Chest-level slice from an abdominal CT that extends up into the chest · axial plane, index 93 · soft-tissue window
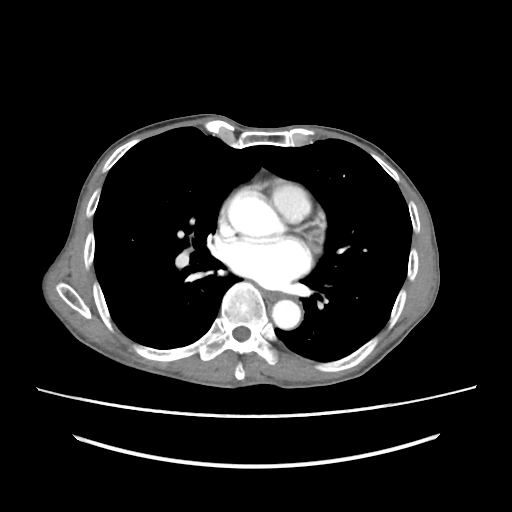
At this level of the chest this dataset labels only the esophagus and the aorta, and each is boxed only where it is labeled; the heart and lungs are never labeled.
<organs><organ name="esophagus" x1="264" y1="291" x2="283" y2="300"/><organ name="aorta" x1="228" y1="197" x2="278" y2="236"/><organ name="aorta" x1="271" y1="299" x2="301" y2="329"/></organs>